Computed tomography, abdomen; axial plane, index 15; abdomen soft-tissue window
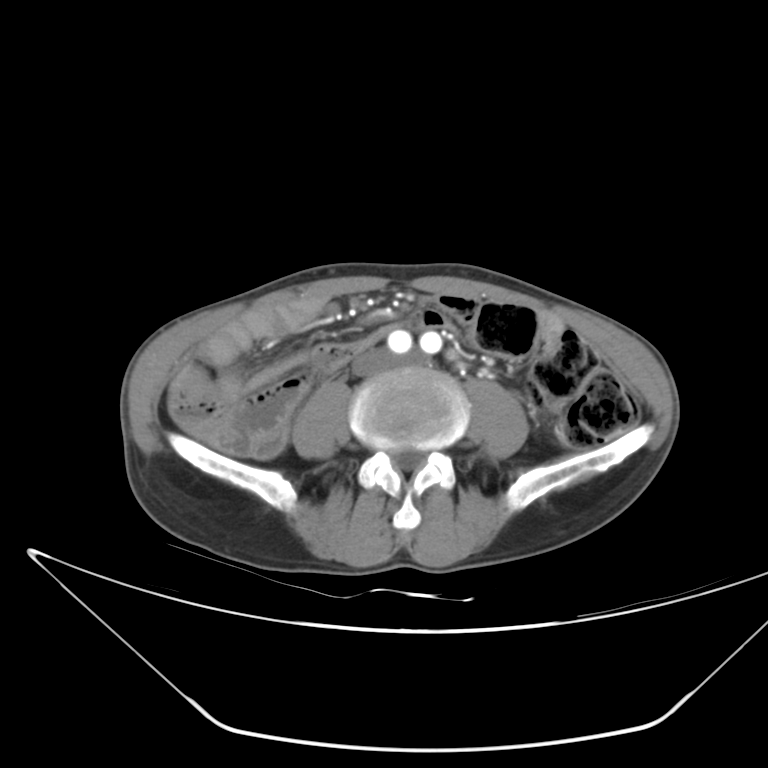 Box edges are left/top/right/bottom in pixels.
Organ bounding boxes:
- inferior vena cava: left=353, top=351, right=387, bottom=374